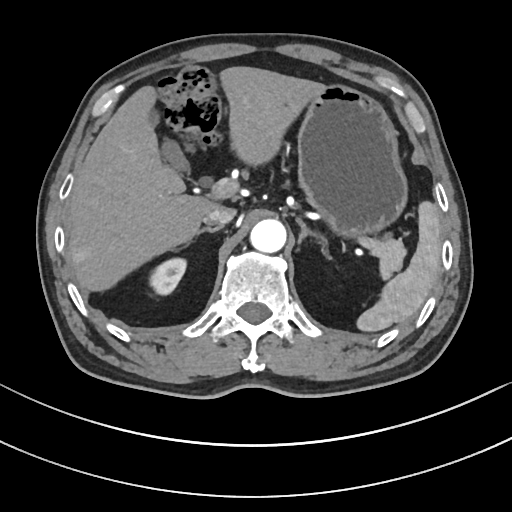
CT, abdomen/pelvis — axial view — abdomen soft-tissue window — 512x512 px
Bounding boxes in pixels, one row per box: x1, y1 is the top-left corner and x2, y2 the bottom-right.
| organ | x1 | y1 | x2 | y2 |
|---|---|---|---|---|
| pancreas | 369 | 235 | 405 | 277 |
| inferior vena cava | 203 | 206 | 235 | 226 |
| liver | 68 | 66 | 322 | 291 |
| aorta | 250 | 219 | 286 | 252 |
| right kidney | 148 | 257 | 186 | 294 |
| spleen | 356 | 201 | 441 | 332 |
| gall bladder | 150 | 110 | 191 | 178 |
| left adrenal gland | 296 | 217 | 327 | 254 |
| stomach | 297 | 85 | 407 | 239 |
| right adrenal gland | 198 | 226 | 221 | 234 |